Computed tomography, abdomen; Axial slice 48/100; 75-year-old female patient
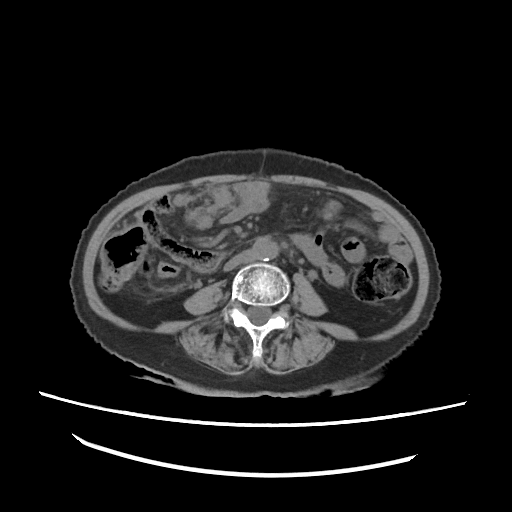 Coordinates as <box>x1,y1,x2,y2</box> in pixels. 1 labeled organ on this slice — aorta at <box>251,239,277,263</box>.